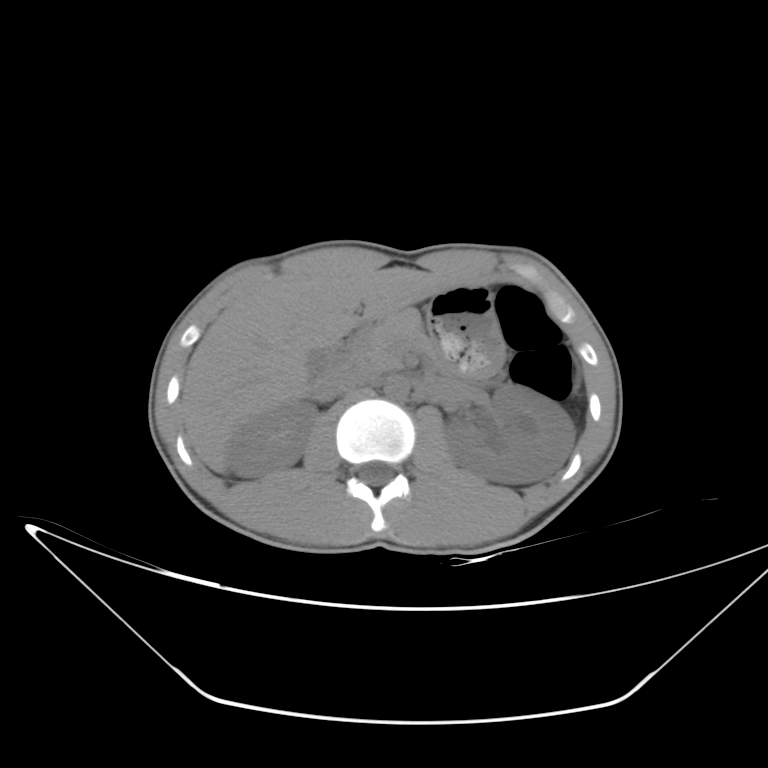

Computed tomography, abdomen. axial view. 768x768 px
Box edges are left/top/right/bottom in pixels. The annotated organs in this slice are: gall bladder at left=308, top=350, right=327, bottom=370, stomach at left=425, top=284, right=505, bottom=377, inferior vena cava at left=318, top=369, right=371, bottom=399, liver at left=179, top=267, right=455, bottom=472, right kidney at left=226, top=402, right=317, bottom=477, left kidney at left=444, top=385, right=575, bottom=484, aorta at left=384, top=375, right=409, bottom=399, duodenum at left=309, top=324, right=365, bottom=383, pancreas at left=349, top=309, right=436, bottom=371.